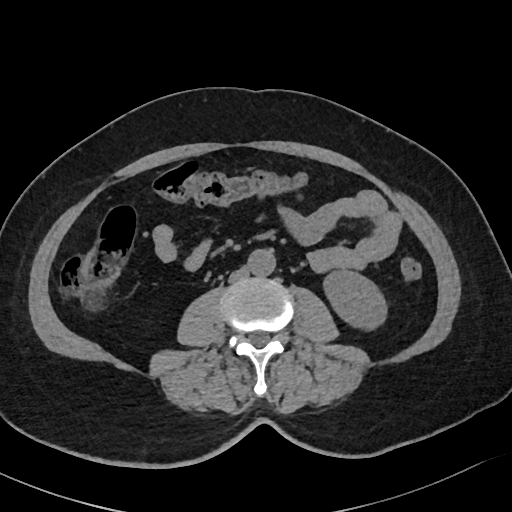

CT abdomen · axial view · 512x512 px · scan has 15 labeled organs (that count is for the whole scan; organs this slice misses have no box)
Boxes are (x1, y1, x2, y2) in pixels.
aorta: (247, 249, 275, 276)
inferior vena cava: (228, 267, 248, 282)
left kidney: (323, 270, 386, 329)